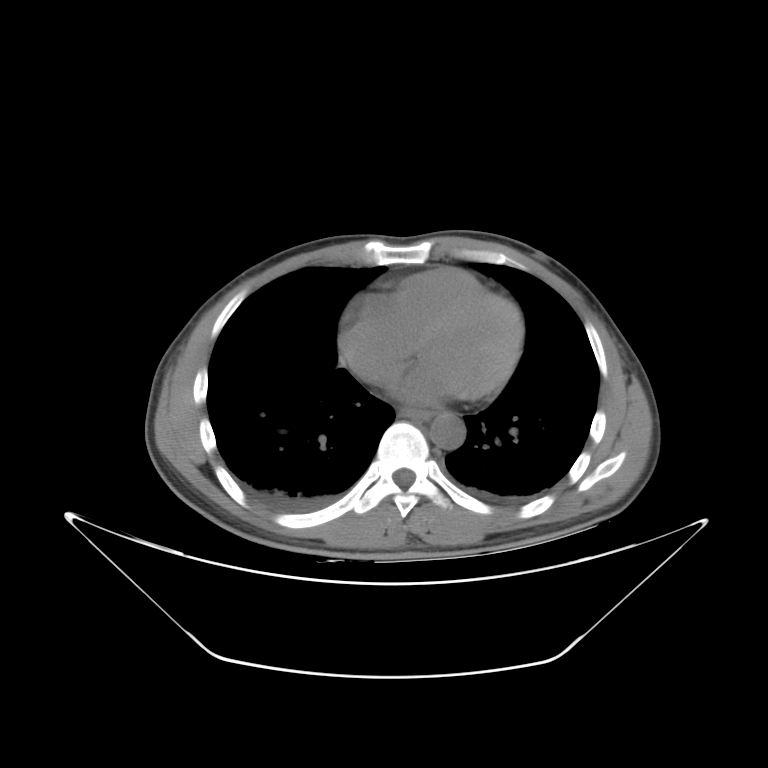
Abdominal CT; this slice is in the lower chest, just above the liver · axial view · soft-tissue window · 39-year-old male patient · 15 organs annotated in this scan (counted over the whole 3D scan, not this slice; an organ is boxed only where this slice passes through it)
No part of the heart or lungs is labeled in this dataset, so neither has a box here. Box edges are left/top/right/bottom in pixels. The annotated organs in this slice are: esophagus at left=398, top=407, right=434, bottom=420, aorta at left=429, top=413, right=465, bottom=449.